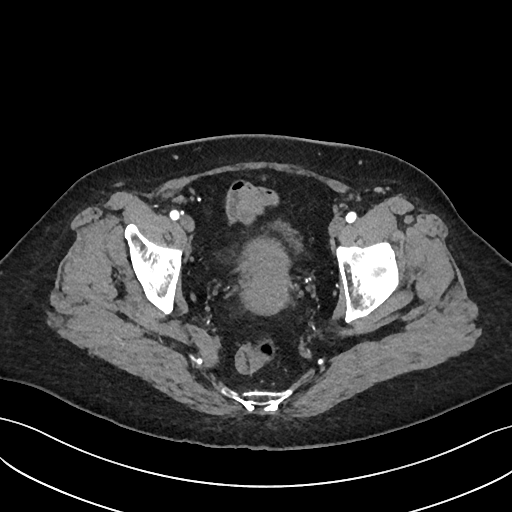
CT abdomen · Axial slice 33/276
Boxes are (x1, y1, x2, y2) in pixels. 2 labeled organs on this slice — prostate/uterus at (239, 241, 291, 315); bladder at (276, 220, 295, 237).